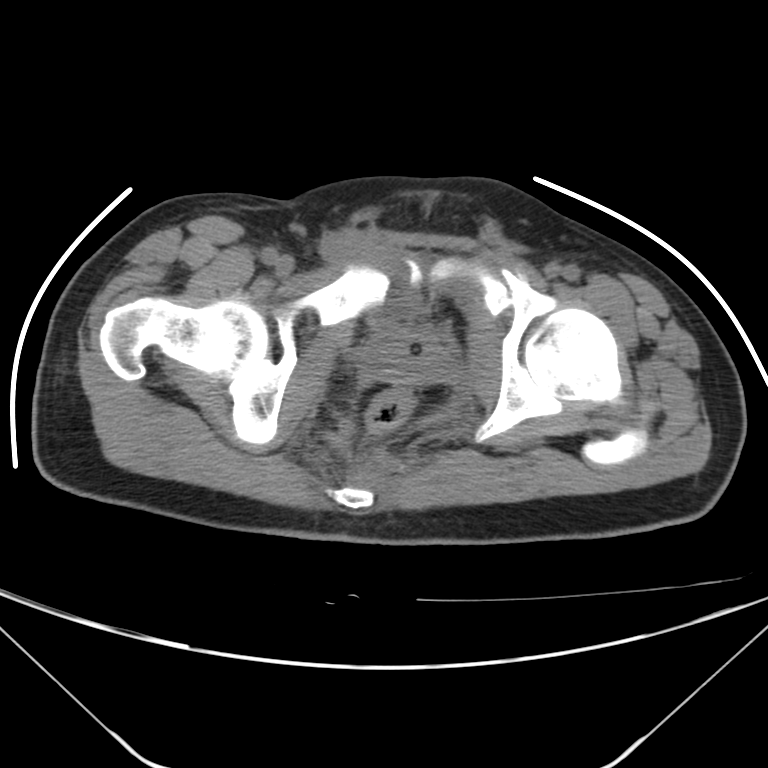 Computed tomography, abdomen. axial view. W/L 400/40 HU. 768x768 px. 24-year-old male patient
{"organs":{"prostate/uterus":[368,330,448,382]}}